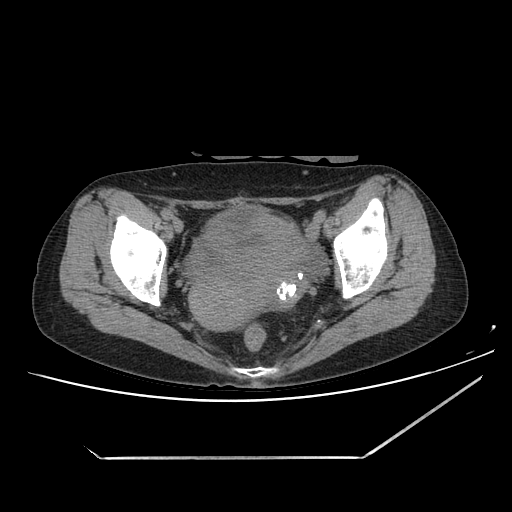 Computed tomography, abdomen; axial plane, index 22; soft-tissue window (W 400 / L 40); scan has 14 labeled organs (that count is for the whole scan; organs this slice misses have no box)
Box edges are left/top/right/bottom in pixels. Labeled organs on this slice: bladder at left=210, top=205, right=265, bottom=229, prostate/uterus at left=189, top=225, right=307, bottom=330.